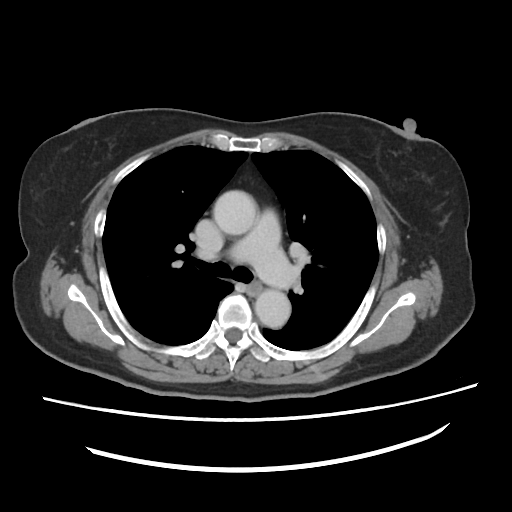 Chest-level CT slice, above the liver and spleen; axial plane, index 105; 512x512 px
At this level of the chest this dataset labels only the esophagus and the aorta, and each is boxed only where it is labeled; the heart and lungs are never labeled.
<organs><organ name="aorta" x1="212" y1="189" x2="257" y2="235"/><organ name="aorta" x1="255" y1="289" x2="291" y2="328"/><organ name="esophagus" x1="246" y1="283" x2="261" y2="296"/></organs>